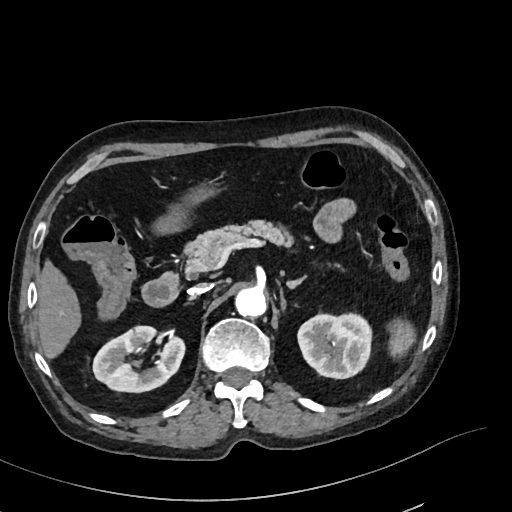

Abdominal CT — axial plane, index 165
<organs><organ name="pancreas" x1="184" y1="220" x2="295" y2="275"/><organ name="right kidney" x1="93" y1="326" x2="185" y2="391"/><organ name="left adrenal gland" x1="286" y1="277" x2="305" y2="289"/><organ name="duodenum" x1="142" y1="273" x2="179" y2="304"/><organ name="left kidney" x1="298" y1="313" x2="370" y2="378"/><organ name="spleen" x1="390" y1="320" x2="414" y2="354"/><organ name="inferior vena cava" x1="189" y1="283" x2="212" y2="295"/><organ name="stomach" x1="158" y1="188" x2="213" y2="233"/><organ name="liver" x1="37" y1="261" x2="79" y2="360"/><organ name="aorta" x1="234" y1="287" x2="267" y2="318"/></organs>